CT, abdomen/pelvis · axial view · 34-year-old female patient · acquired on Brilliance16
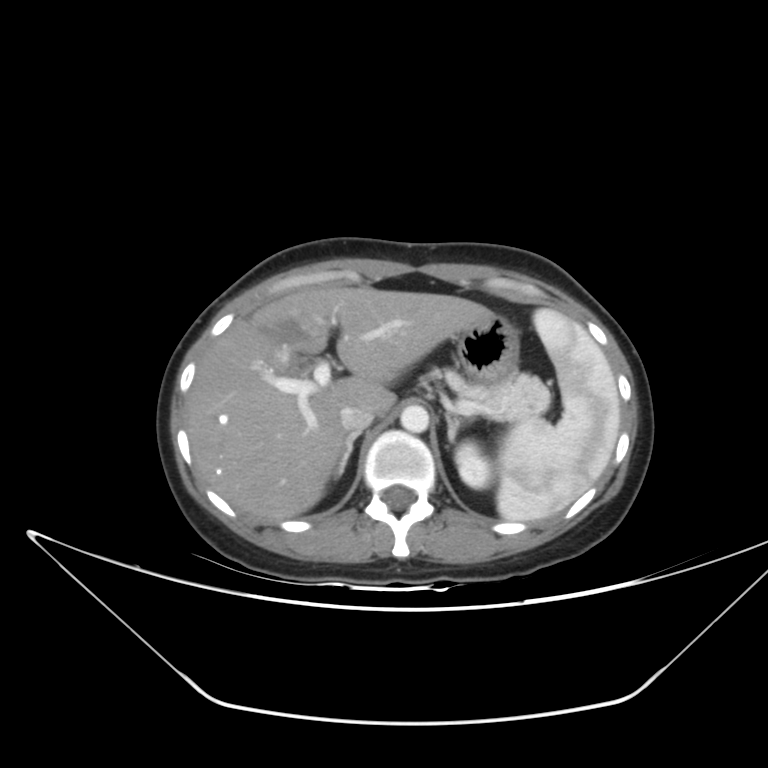

<organs><organ name="spleen" x1="497" y1="308" x2="620" y2="521"/><organ name="left kidney" x1="455" y1="441" x2="491" y2="488"/><organ name="liver" x1="186" y1="286" x2="489" y2="521"/><organ name="stomach" x1="456" y1="312" x2="518" y2="383"/><organ name="aorta" x1="400" y1="404" x2="429" y2="433"/><organ name="inferior vena cava" x1="339" y1="405" x2="374" y2="432"/><organ name="pancreas" x1="443" y1="369" x2="550" y2="422"/><organ name="right adrenal gland" x1="335" y1="432" x2="360" y2="478"/><organ name="left adrenal gland" x1="445" y1="414" x2="474" y2="442"/></organs>